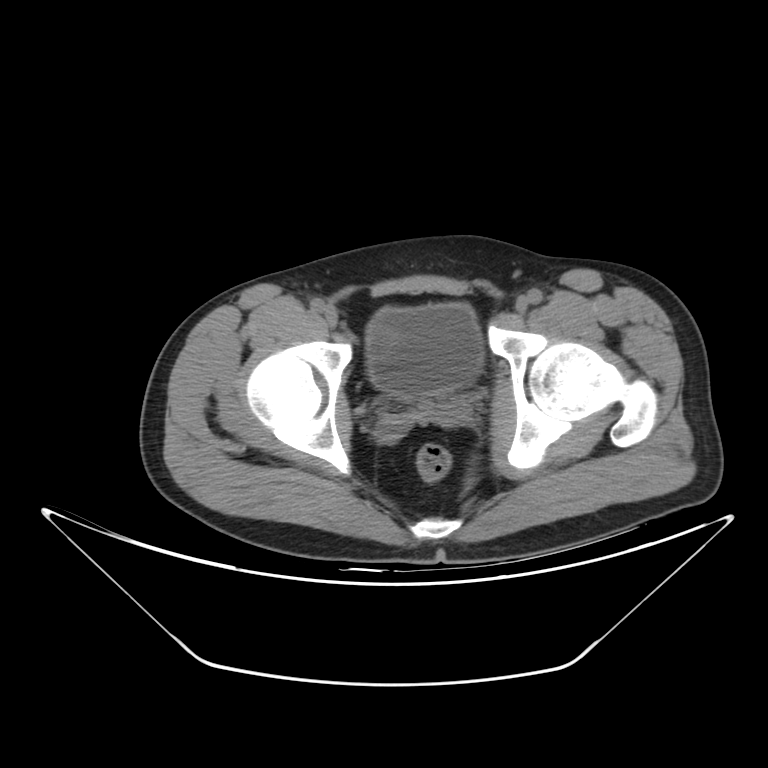 CT, abdomen/pelvis. axial view. 768x768 px. 37-year-old male patient. 15 organs annotated in this scan (a whole-scan count: organs this slice does not pass through have no box)
Boxes are (x1, y1, x2, y2) in pixels.
Organ bounding boxes:
- bladder: (366, 304, 482, 399)